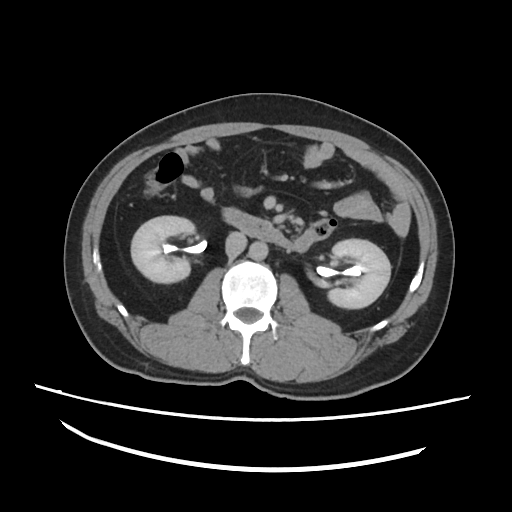

Computed tomography, abdomen · axial view · 512x512 px · Aquilion ONE scanner · scan has 15 labeled organs (that count is for the whole scan; organs this slice misses have no box)
Boxes: x1 y1 x2 y2 (pixel coords, space-separated).
Organ bounding boxes:
- right kidney: 132 215 192 283
- left kidney: 328 238 390 308
- aorta: 249 242 267 258
- inferior vena cava: 226 232 246 254
- duodenum: 223 207 334 252